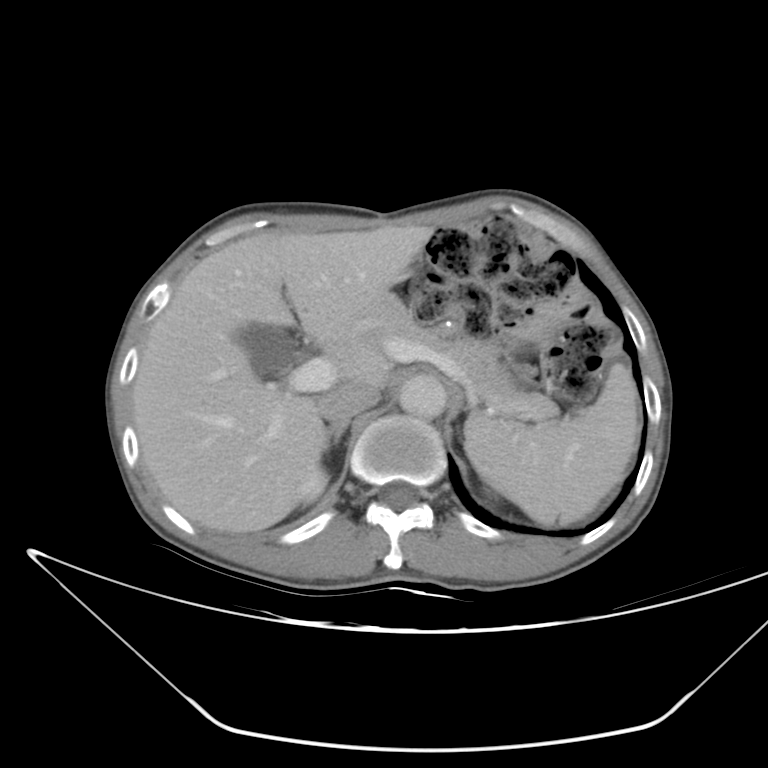

CT, abdomen/pelvis · axial view · W/L 400/40 HU · 768x768 px · 62-year-old male patient
Box edges are left/top/right/bottom in pixels. The annotated organs in this slice are: right kidney at left=300, top=471, right=326, bottom=502, pancreas at left=355, top=292, right=563, bottom=419, inferior vena cava at left=317, top=383, right=383, bottom=425, spleen at left=463, top=361, right=639, bottom=524, aorta at left=398, top=376, right=447, bottom=419, gall bladder at left=235, top=323, right=296, bottom=375, right adrenal gland at left=326, top=418, right=348, bottom=450, liver at left=132, top=223, right=435, bottom=535.